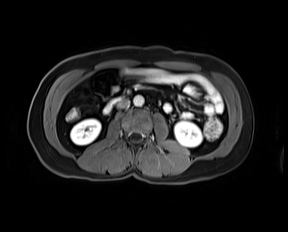 Magnetic resonance imaging, abdomen — Axial slice 7/72 — percentile-normalized
Box edges are left/top/right/bottom in pixels.
Organ bounding boxes:
- inferior vena cava: left=116, top=100, right=129, bottom=108
- right kidney: left=70, top=119, right=100, bottom=145
- duodenum: left=103, top=96, right=123, bottom=113
- left kidney: left=174, top=121, right=202, bottom=147
- aorta: left=133, top=95, right=143, bottom=106